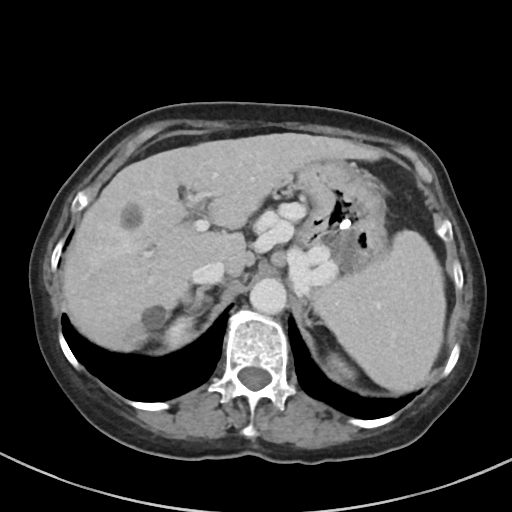 CT abdomen. axial plane, index 62. acquired on SOMATOM Force. 15 organs annotated in this scan (counted over the whole 3D scan, not this slice; an organ is boxed only where this slice passes through it)
Boxes: x1 y1 x2 y2 (pixel coords, space-separated).
spleen: 313 230 445 392
right kidney: 163 316 193 347
left kidney: 330 355 351 375
liver: 61 132 380 351
stomach: 294 160 386 273
aorta: 249 278 286 314
inferior vena cava: 191 260 225 285
right adrenal gland: 184 287 212 312